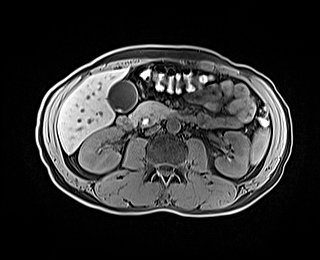 Magnetic resonance imaging, abdomen · axial view · 320x260 px · 13 organs annotated in this scan (that count is for the whole scan; organs this slice misses have no box)
Box edges are left/top/right/bottom in pixels. The annotated organs in this slice are: spleen at left=250, top=128, right=269, bottom=164, right kidney at left=78, top=127, right=120, bottom=173, left kidney at left=215, top=131, right=249, bottom=177, gall bladder at left=107, top=81, right=136, bottom=111, liver at left=57, top=68, right=127, bottom=153, aorta at left=166, top=119, right=180, bottom=132, inferior vena cava at left=146, top=124, right=160, bottom=134, pancreas at left=129, top=100, right=180, bottom=124, duodenum at left=116, top=114, right=196, bottom=129.